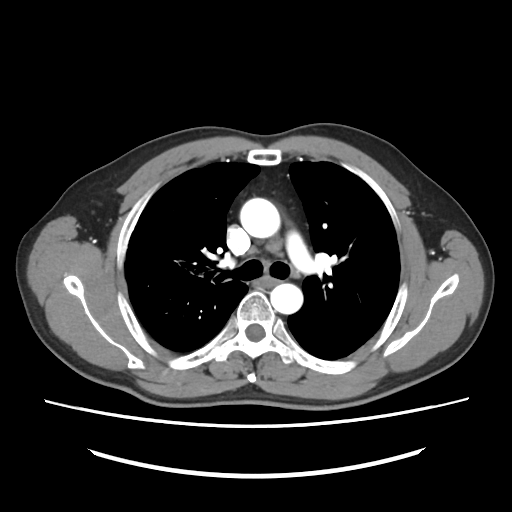

CT of the abdomen extending into the chest, slice through the chest. axial view. soft-tissue window (W 400 / L 40). 512x512 px. 46-year-old male patient
At this level of the chest this dataset labels only the esophagus and the aorta, and each is boxed only where it is labeled; the heart and lungs are never labeled. Boxes: x1 y1 x2 y2 (pixel coords, space-separated). The annotated organs in this slice are: esophagus at 260 277 282 287, aorta at 240 198 280 238, aorta at 270 283 303 314.